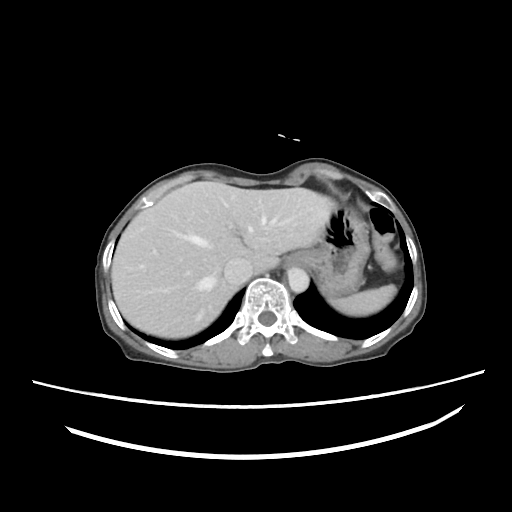 CT, abdomen/pelvis; axial view
Each box given as x1,y1,x2,y2. The annotated organs in this slice are: spleen at x1=328, y1=284, x2=396, y2=314, esophagus at x1=289, y1=252, x2=307, y2=266, liver at x1=111, y1=181, x2=332, y2=337, stomach at x1=306, y1=202, x2=369, y2=294, aorta at x1=287, y1=267, x2=307, y2=291, inferior vena cava at x1=224, y1=259, x2=252, y2=283.